Computed tomography, abdomen — axial plane, index 138 — soft-tissue window (W 400 / L 40) — SOMATOM Force scanner
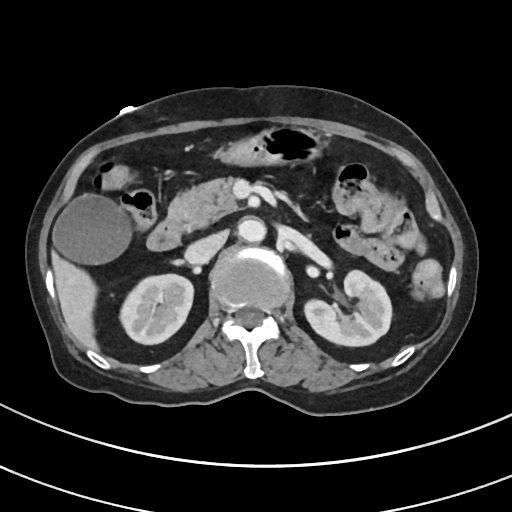 Boxes: x1 y1 x2 y2 (pixel coords, space-separated). Labeled organs on this slice: right kidney at 119 274 193 344, left kidney at 304 270 391 346, gall bladder at 54 195 130 263, liver at 52 240 97 348, stomach at 222 126 320 166, aorta at 238 218 265 242, inferior vena cava at 185 231 227 263, pancreas at 169 179 237 226, duodenum at 147 217 186 250.